Abdominal CT · axial view · 768x768 px · 59-year-old male patient
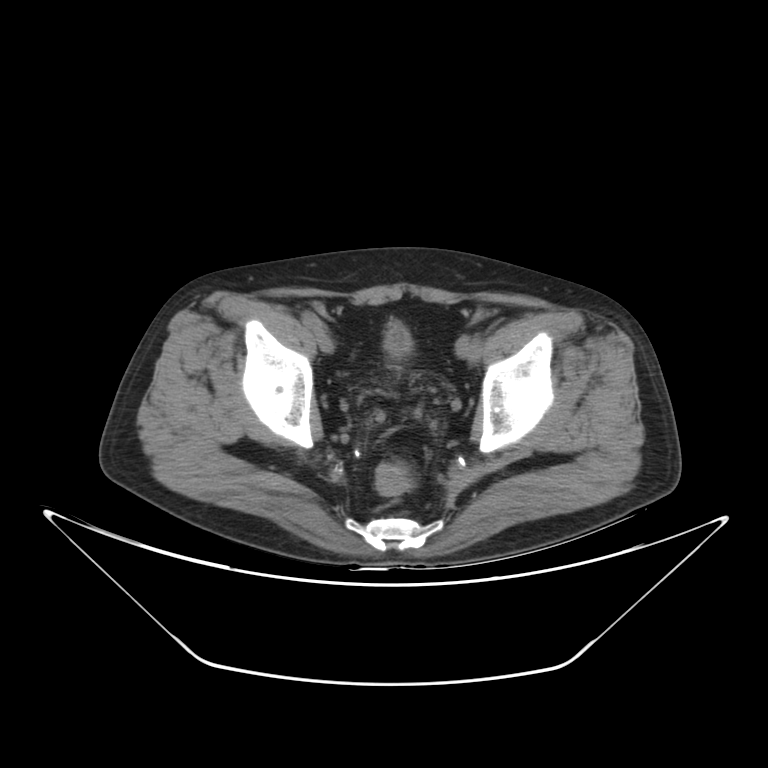 One row per box, in pixels: columns x1 and y1 give the top-left corner, x2 and y2 the bottom-right.
| organ | x1 | y1 | x2 | y2 |
|---|---|---|---|---|
| bladder | 386 | 325 | 411 | 354 |